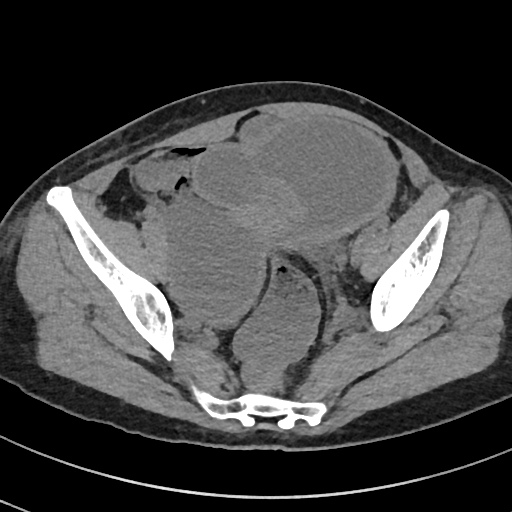
CT, abdomen/pelvis — axial view — W/L 400/40 HU
Bounding boxes as [x1, y1, x2, y2] in pixel coordinates.
Organ bounding boxes:
- prostate/uterus: [242, 202, 287, 234]